CT abdomen — axial view — soft-tissue window
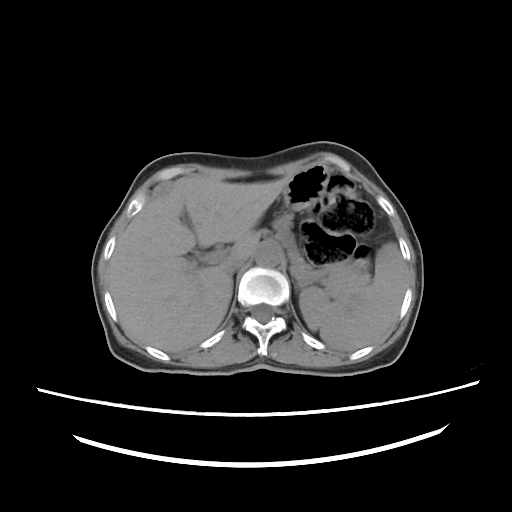
<organs><organ name="liver" x1="109" y1="175" x2="288" y2="352"/><organ name="left adrenal gland" x1="295" y1="283" x2="296" y2="288"/><organ name="inferior vena cava" x1="225" y1="256" x2="247" y2="273"/><organ name="stomach" x1="283" y1="165" x2="370" y2="301"/><organ name="aorta" x1="255" y1="242" x2="281" y2="266"/><organ name="pancreas" x1="273" y1="215" x2="312" y2="269"/><organ name="spleen" x1="299" y1="243" x2="407" y2="350"/></organs>